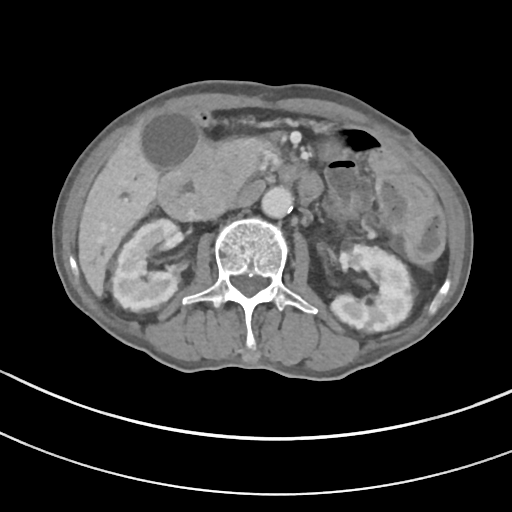 Abdominal CT — axial plane, index 51 — soft-tissue window (W 400 / L 40)
Coordinates as <box>x1,y1,x2,y2</box> in pixels.
right kidney: <box>112,219,178,312</box>
left kidney: <box>331,245,412,331</box>
gall bladder: <box>142,110,198,170</box>
liver: <box>78,123,159,296</box>
aorta: <box>261,186,293,218</box>
inferior vena cava: <box>235,181,263,205</box>
pancreas: <box>225,136,280,174</box>
duodenum: <box>160,141,322,219</box>